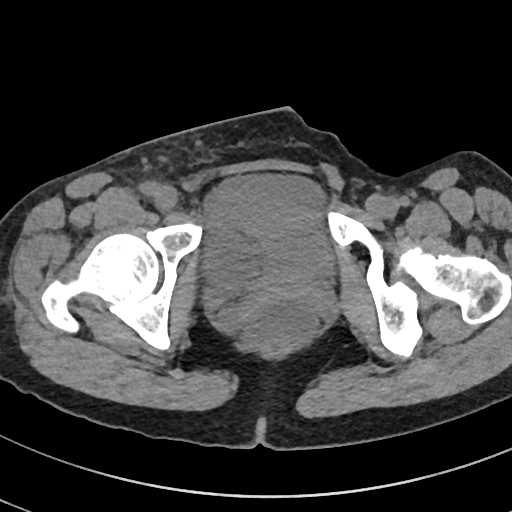
CT abdomen — axial view — abdomen soft-tissue window
Bounding boxes as [x1, y1, x2, y2] in pixel coordinates.
bladder: [206, 173, 332, 286]